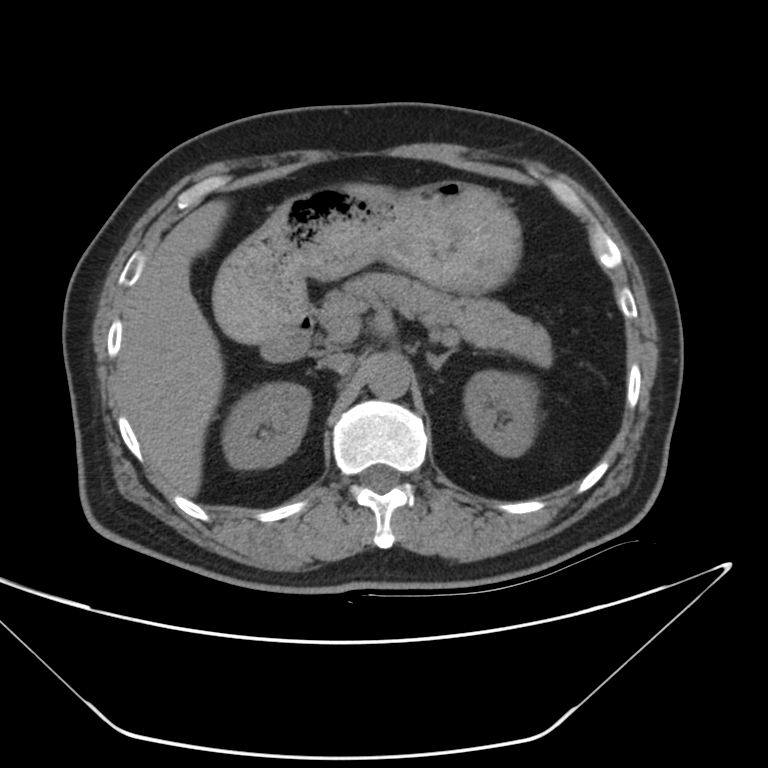 CT, abdomen/pelvis. axial plane, index 73. W/L 400/40 HU. 768x768 px
{"organs":{"aorta":[366,358,408,398],"stomach":[212,179,520,344],"right kidney":[225,382,310,467],"inferior vena cava":[325,354,352,373],"liver":[117,181,391,496],"left kidney":[463,371,537,458],"left adrenal gland":[426,348,457,370],"pancreas":[311,273,553,368],"duodenum":[263,314,316,360]}}